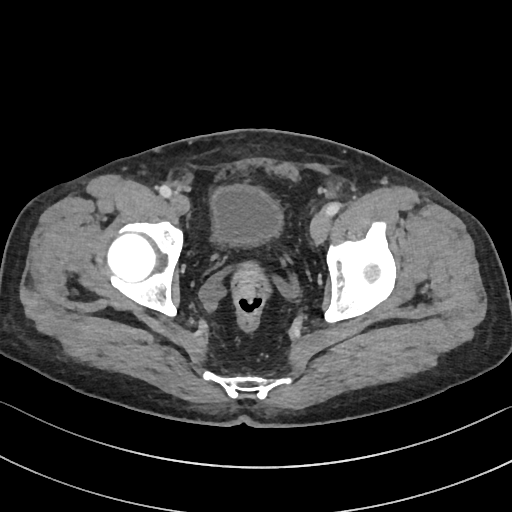 CT, abdomen/pelvis · Axial slice 52/221 · W/L 400/40 HU
<organs><organ name="bladder" x1="211" y1="186" x2="282" y2="246"/></organs>